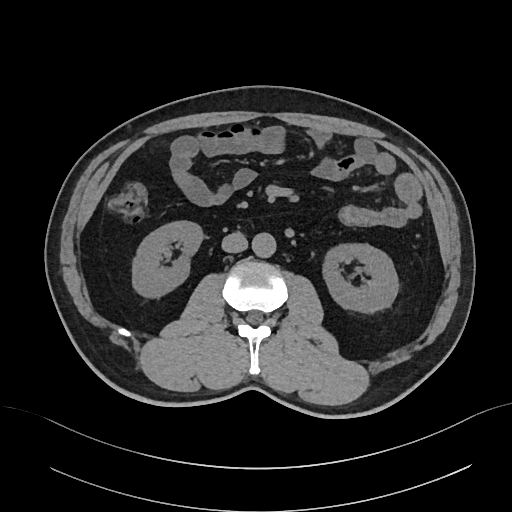
CT, abdomen/pelvis · axial plane, index 151 · W/L 400/40 HU
Each box given as x1,y1,x2,y2.
Organ bounding boxes:
- right kidney: x1=132, y1=221, x2=202, y2=297
- left kidney: x1=322, y1=243, x2=398, y2=312
- aorta: x1=252, y1=232, x2=275, y2=257
- inferior vena cava: x1=222, y1=232, x2=247, y2=252